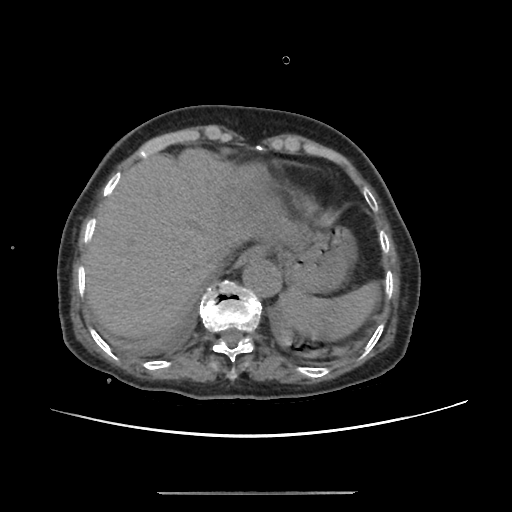 CT abdomen — axial view — 512x512 px — 14 organs annotated in this scan (a whole-scan count: organs this slice does not pass through have no box)
Boxes: x1:y1:x2:y2 in pixels.
spleen: 279:281:380:340
esophagus: 233:247:264:269
liver: 85:148:298:339
stomach: 283:226:356:292
aorta: 242:258:281:297
inferior vena cava: 205:240:234:272